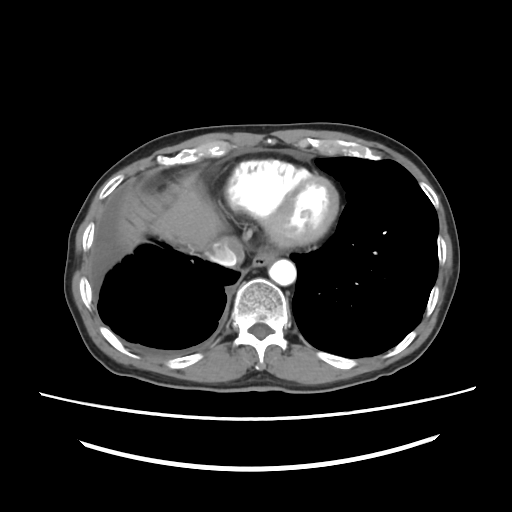

CT, abdomen/pelvis. axial view. 65-year-old male patient. acquired on Aquilion ONE
Boxes are (x1, y1, x2, y2) in pixels. The annotated organs in this slice are: liver at (146, 188, 220, 252), inferior vena cava at (204, 237, 244, 266), aorta at (268, 259, 296, 285), esophagus at (252, 249, 278, 267).